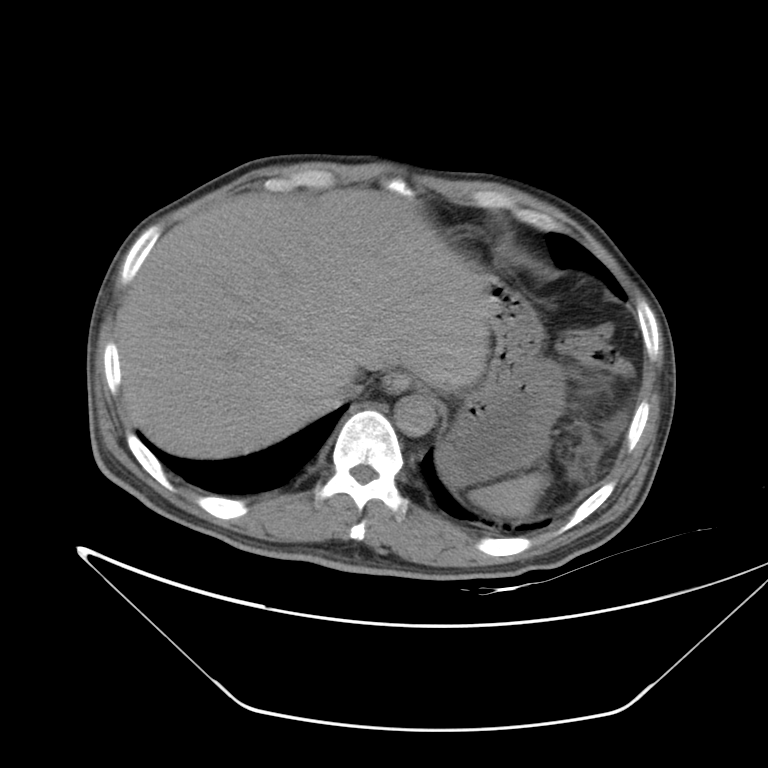

CT abdomen. axial view. W/L 400/40 HU. 768x768 px. scan has 15 labeled organs (counted over the whole 3D scan, not this slice; an organ is boxed only where this slice passes through it)
<organs><organ name="spleen" x1="470" y1="472" x2="549" y2="519"/><organ name="esophagus" x1="386" y1="374" x2="409" y2="393"/><organ name="liver" x1="118" y1="189" x2="490" y2="459"/><organ name="stomach" x1="438" y1="265" x2="565" y2="484"/><organ name="aorta" x1="394" y1="395" x2="436" y2="436"/><organ name="inferior vena cava" x1="328" y1="378" x2="362" y2="405"/></organs>